Abdominal CT · axial view · 512x512 px · 15 organs annotated in this scan (that count is for the whole scan; organs this slice misses have no box)
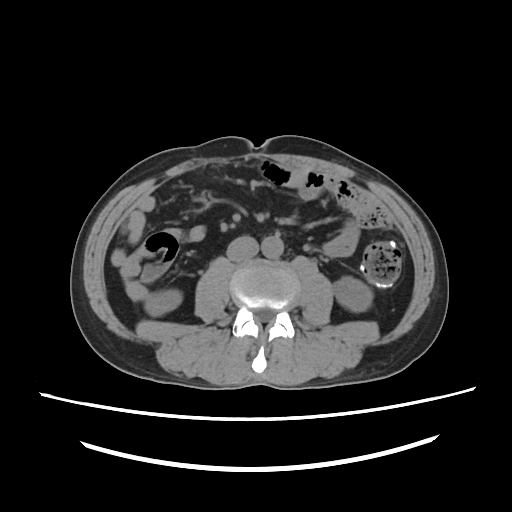
Coordinates as <box>x1,y1,x2,y2</box> in pixels.
right kidney: <box>143,290,180,316</box>
left kidney: <box>333,277,372,311</box>
aorta: <box>261,234,284,259</box>
inferior vena cava: <box>226,234,260,262</box>